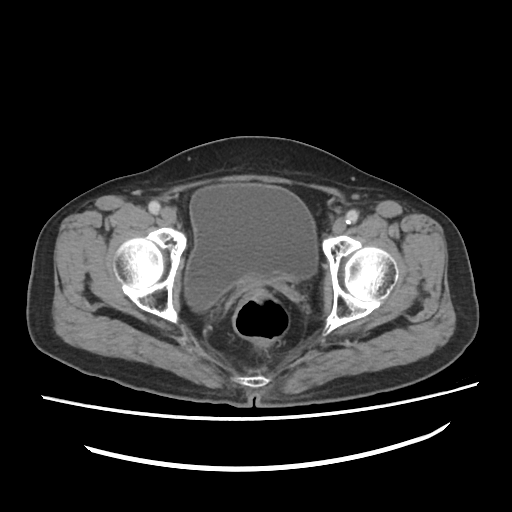 Computed tomography, abdomen — Axial slice 19/128 — 61-year-old female patient — acquired on Aquilion ONE — 14 organs annotated in this scan (a whole-scan count: organs this slice does not pass through have no box)
Organ boxes in pixel coordinates; each row gives the top-left (x1, y1) and bottom-right (x2, y2) corners.
| organ | x1 | y1 | x2 | y2 |
|---|---|---|---|---|
| bladder | 185 | 181 | 315 | 312 |